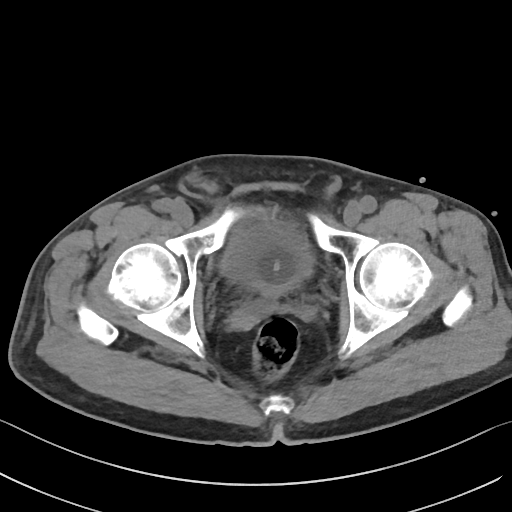

CT, abdomen/pelvis. axial view. 512x512 px. SOMATOM Force scanner
{"organs":{"bladder":[221,215,313,298]}}